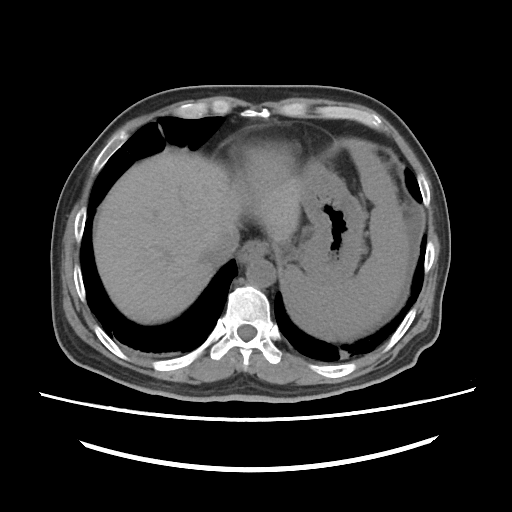

CT, abdomen/pelvis. Axial slice 81/87. 49-year-old male patient. acquired on Aquilion ONE
<organs><organ name="stomach" x1="279" y1="162" x2="366" y2="283"/><organ name="esophagus" x1="238" y1="240" x2="267" y2="262"/><organ name="inferior vena cava" x1="207" y1="231" x2="239" y2="265"/><organ name="aorta" x1="246" y1="258" x2="275" y2="287"/><organ name="spleen" x1="281" y1="139" x2="409" y2="340"/><organ name="liver" x1="93" y1="153" x2="304" y2="324"/></organs>